CT, abdomen/pelvis. Axial slice 109/280
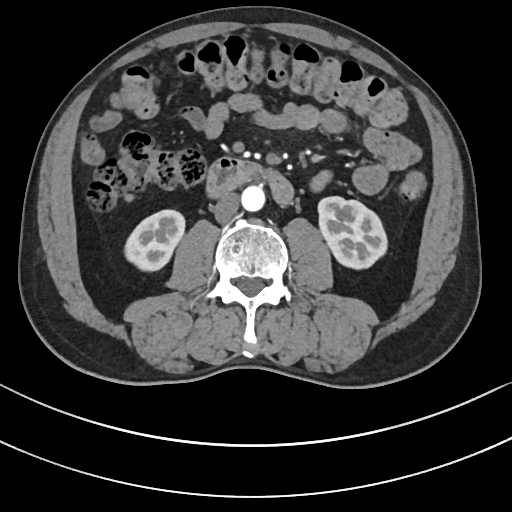
Bounding boxes as [x1, y1, x2, y2] in pixel coordinates.
Organ bounding boxes:
- left kidney: [318, 196, 387, 268]
- right kidney: [124, 210, 184, 271]
- aorta: [241, 185, 265, 211]
- duodenum: [206, 157, 293, 205]
- inferior vena cava: [213, 192, 239, 222]